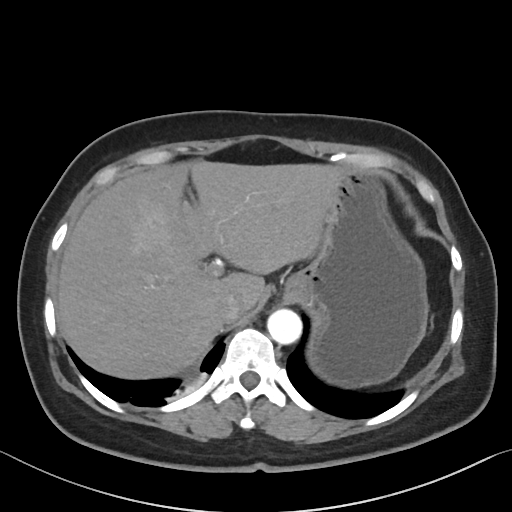
CT abdomen. axial view
<organs><organ name="liver" x1="57" y1="160" x2="341" y2="378"/><organ name="inferior vena cava" x1="216" y1="294" x2="243" y2="321"/><organ name="aorta" x1="267" y1="308" x2="302" y2="344"/><organ name="stomach" x1="284" y1="169" x2="428" y2="387"/></organs>